Computed tomography, abdomen; axial view; soft-tissue window (W 400 / L 40)
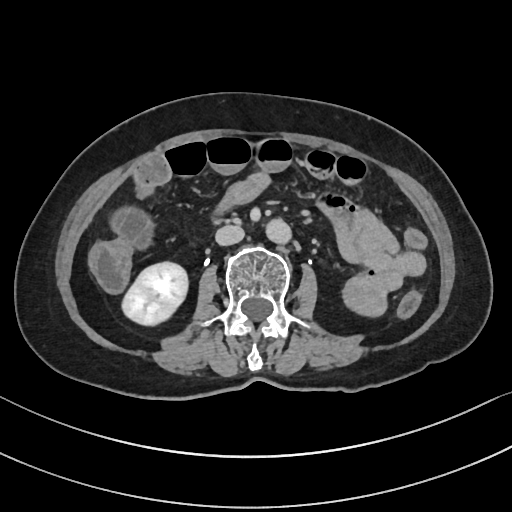

{"organs":{"right kidney":[122,263,186,325],"aorta":[264,217,289,242],"inferior vena cava":[215,225,244,245]}}